CT, abdomen/pelvis — axial view — 512x512 px — 54-year-old male patient — scan has 15 labeled organs (a whole-scan count: organs this slice does not pass through have no box)
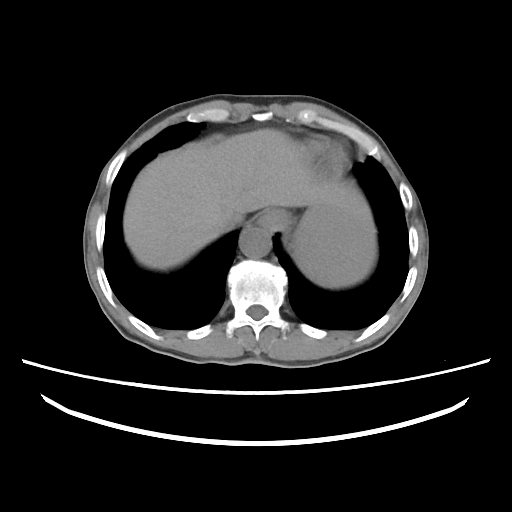

Bounding boxes as [x1, y1, x2, y2] in pixel coordinates.
Organ bounding boxes:
- spleen: [291, 204, 376, 286]
- esophagus: [258, 209, 293, 232]
- liver: [124, 129, 374, 267]
- stomach: [282, 216, 300, 248]
- aorta: [240, 227, 270, 256]
- inferior vena cava: [220, 214, 243, 229]